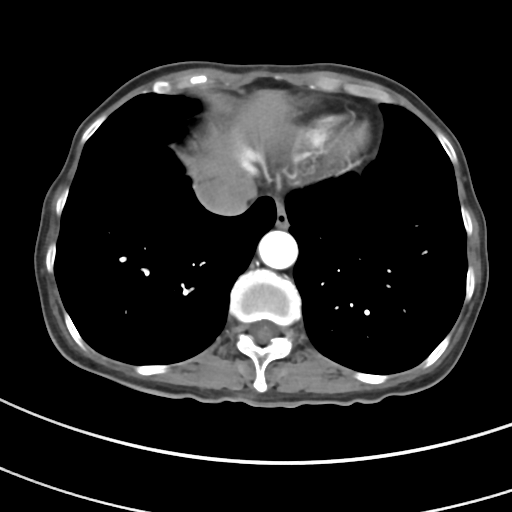 Abdominal CT. Axial slice 75/118. scan has 15 labeled organs (a whole-scan count: organs this slice does not pass through have no box)
Bounding boxes as [x1, y1, x2, y2] in pixel coordinates. The annotated organs in this slice are: esophagus at [276, 200, 288, 227], liver at [184, 90, 291, 182], aorta at [258, 230, 297, 269], inferior vena cava at [195, 175, 255, 216].